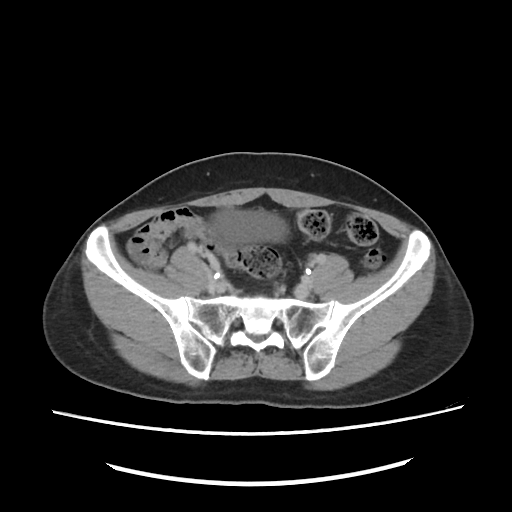 CT, abdomen/pelvis; axial plane, index 29; soft-tissue window (W 400 / L 40); 50-year-old female patient
Box edges are left/top/right/bottom in pixels.
Organ bounding boxes:
- bladder: left=208, top=210, right=292, bottom=246